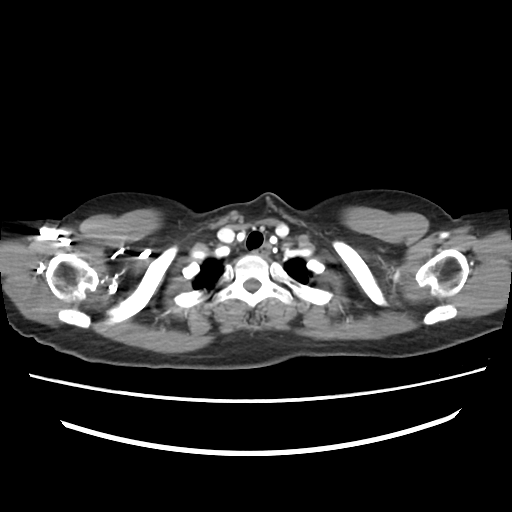 Chest-level CT slice, above the liver and spleen — Axial slice 121/123 — acquired on Aquilion ONE
On a slice this high in the chest, this dataset labels only the esophagus and the aorta, and each is boxed only where it is labeled; the heart, lungs and other chest structures are not labeled.
Each box given as x1,y1,x2,y2.
esophagus: x1=258, y1=244, x2=269, y2=255